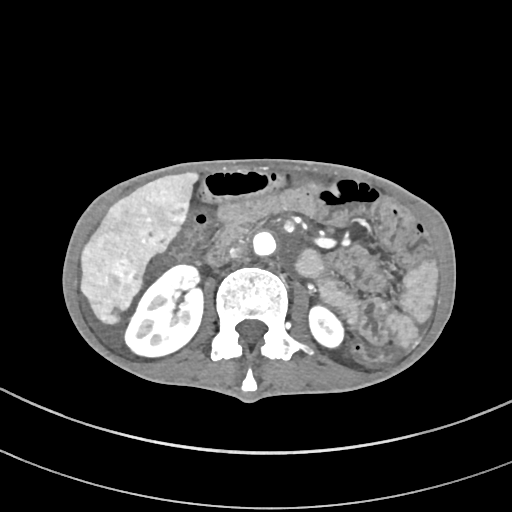
Computed tomography, abdomen · Axial slice 122/218 · abdomen soft-tissue window · scan has 15 labeled organs (that count is for the whole scan; organs this slice misses have no box)
<organs><organ name="right kidney" x1="125" y1="265" x2="202" y2="356"/><organ name="left kidney" x1="309" y1="306" x2="343" y2="347"/><organ name="liver" x1="80" y1="172" x2="198" y2="323"/><organ name="aorta" x1="253" y1="231" x2="278" y2="257"/><organ name="inferior vena cava" x1="229" y1="242" x2="247" y2="258"/></organs>